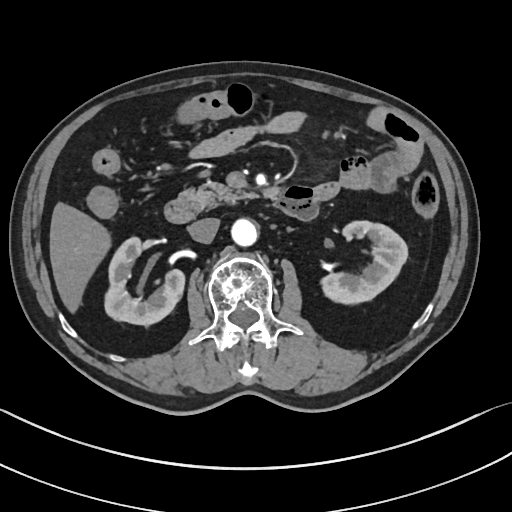
CT abdomen; axial view
{"organs":{"right kidney":[105,239,186,326],"left kidney":[318,221,408,306],"liver":[49,201,111,313],"aorta":[231,219,257,247],"inferior vena cava":[187,218,219,242],"pancreas":[178,182,252,212],"duodenum":[163,187,316,224]}}